Abdominal CT · axial view · 768x768 px
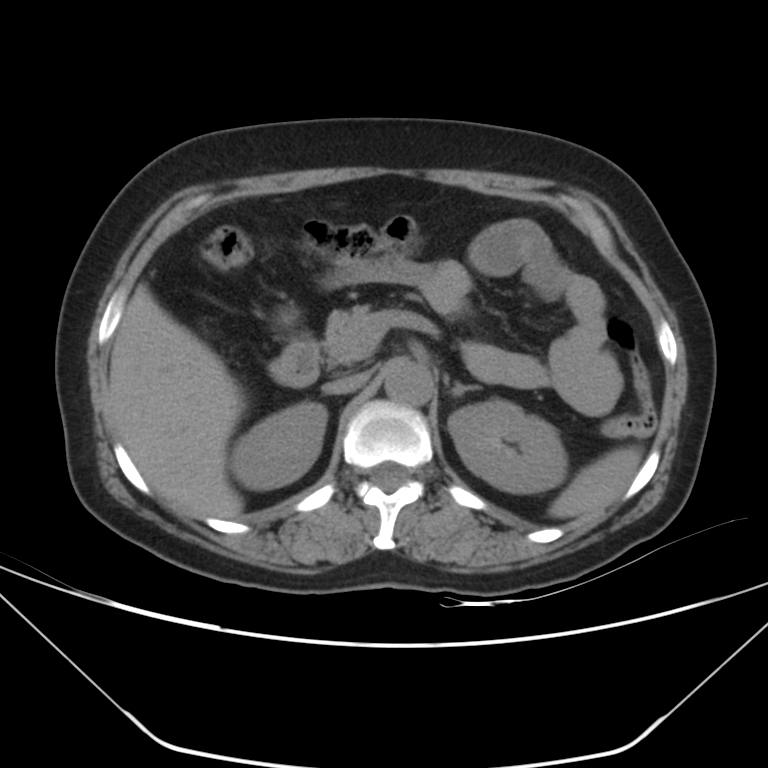

Box edges are left/top/right/bottom in pixels. Labeled organs on this slice: spleen at left=550, top=450, right=640, bottom=515, inferior vena cava at left=322, top=373, right=367, bottom=394, right kidney at left=230, top=401, right=326, bottom=491, pancreas at left=322, top=304, right=377, bottom=366, duodenum at left=268, top=335, right=320, bottom=387, aorta at left=383, top=359, right=433, bottom=405, left kidney at left=447, top=400, right=566, bottom=492, liver at left=109, top=283, right=244, bottom=517, left adrenal gland at left=451, top=382, right=481, bottom=395.